CT abdomen — axial plane, index 115 — abdomen soft-tissue window — 512x512 px — acquired on SOMATOM Force
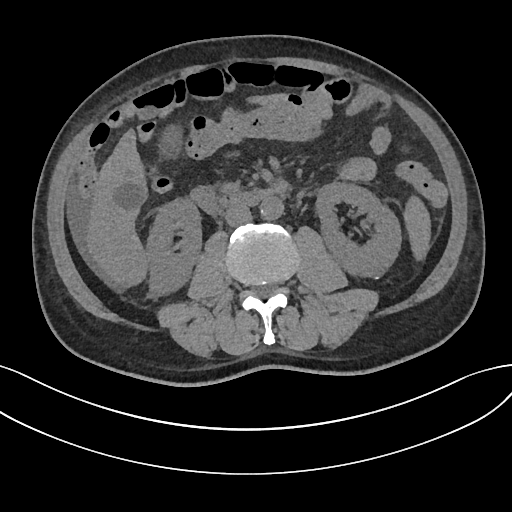
<organs><organ name="duodenum" x1="188" y1="182" x2="289" y2="213"/><organ name="gall bladder" x1="155" y1="121" x2="182" y2="156"/><organ name="spleen" x1="405" y1="197" x2="432" y2="260"/><organ name="inferior vena cava" x1="224" y1="204" x2="252" y2="227"/><organ name="liver" x1="87" y1="129" x2="148" y2="287"/><organ name="pancreas" x1="222" y1="182" x2="242" y2="192"/><organ name="right kidney" x1="145" y1="198" x2="202" y2="296"/><organ name="left kidney" x1="317" y1="183" x2="401" y2="278"/><organ name="aorta" x1="260" y1="196" x2="283" y2="220"/></organs>